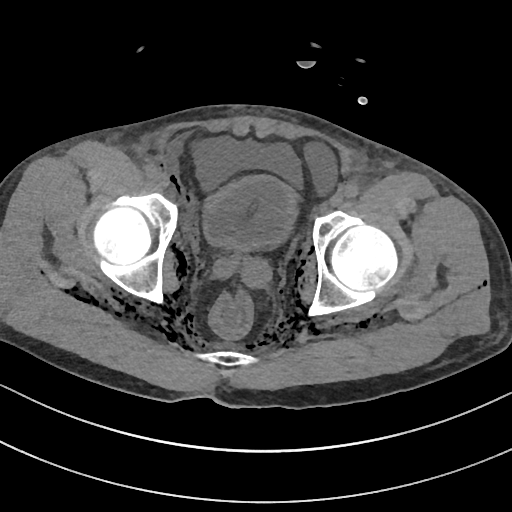
Abdominal CT; axial view
Boxes: x1 y1 x2 y2 (pixel coords, space-separated). 1 labeled organ on this slice — bladder at 204 175 295 249.